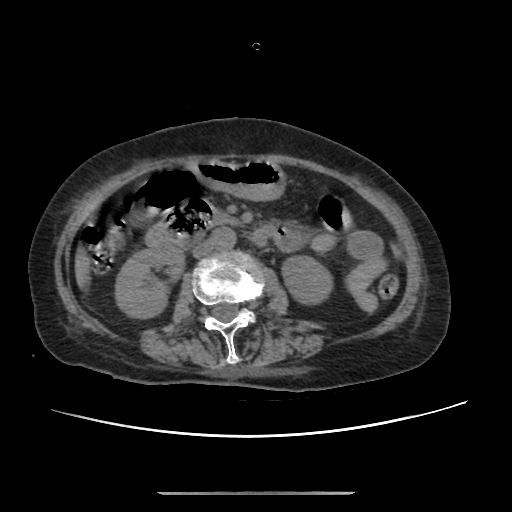
CT, abdomen/pelvis. axial view
Bounding boxes as [x1, y1, x2, y2] in pixel coordinates.
inferior vena cava: [193, 239, 214, 257]
left kidney: [282, 256, 332, 304]
pancreas: [213, 211, 239, 225]
aorta: [212, 227, 236, 250]
right kidney: [115, 245, 184, 318]
stomach: [192, 158, 285, 200]
duodenum: [145, 195, 277, 246]